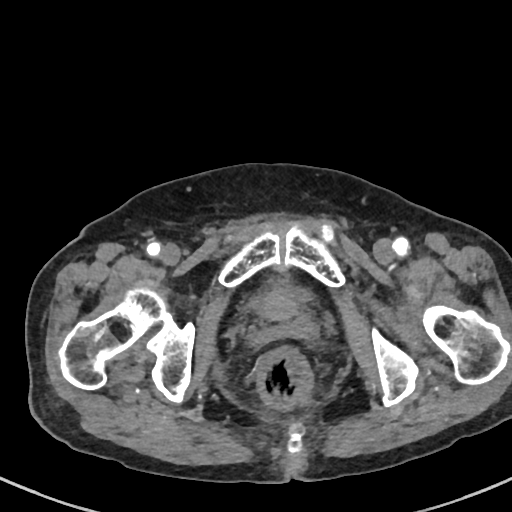
Computed tomography, abdomen. axial view. soft-tissue window (W 400 / L 40). 512x512 px. scan has 15 labeled organs (counted over the whole 3D scan, not this slice; an organ is boxed only where this slice passes through it)
Boxes are (x1, y1, x2, y2) in pixels. The annotated organs in this slice are: bladder at (249, 283, 308, 309).